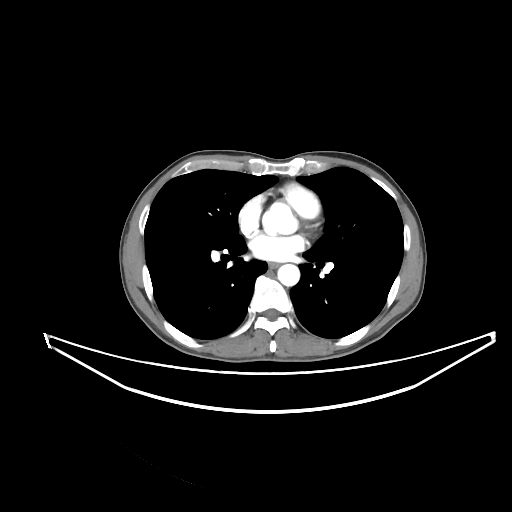 Chest-level slice from an abdominal CT that extends up into the chest; axial view; 512x512 px; 52-year-old male patient; scan has 15 labeled organs (counted over the whole 3D scan, not this slice; an organ is boxed only where this slice passes through it)
On a slice this high in the chest, this dataset labels only the esophagus and the aorta, and each is boxed only where it is labeled; the heart, lungs and other chest structures are not labeled.
{"organs":{"esophagus":[268,262,278,268],"aorta":[277,264,299,286]}}